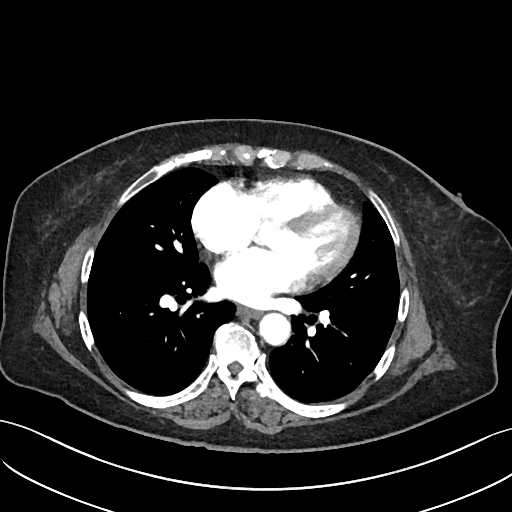

Abdominal CT; this slice is in the lower chest, just above the liver. axial view. soft-tissue window (W 400 / L 40). scan has 15 labeled organs (a whole-scan count: organs this slice does not pass through have no box)
The heart and lungs are never labeled in this dataset, so they have no box on this slice.
Boxes are (x1, y1, x2, y2) in pixels.
Organ bounding boxes:
- esophagus: (238, 307, 259, 317)
- aorta: (259, 312, 290, 344)